Computed tomography, abdomen — axial plane, index 29 — SOMATOM Force scanner
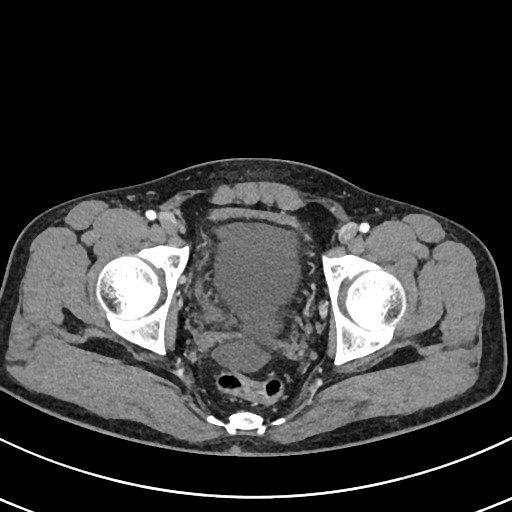

<organs><organ name="bladder" x1="195" y1="207" x2="297" y2="323"/></organs>